Computed tomography, abdomen · axial view · soft-tissue window (W 400 / L 40) · 512x512 px
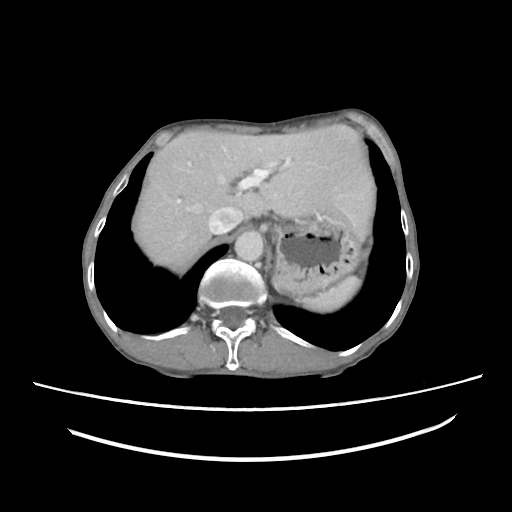
Bounding boxes in pixels, one row per box: x1, y1 is the top-left corner and x2, y2 the bottom-right.
| organ | x1 | y1 | x2 | y2 |
|---|---|---|---|---|
| aorta | 234 | 230 | 263 | 261 |
| liver | 132 | 124 | 375 | 271 |
| stomach | 273 | 212 | 362 | 295 |
| spleen | 301 | 275 | 360 | 312 |
| inferior vena cava | 208 | 206 | 244 | 234 |